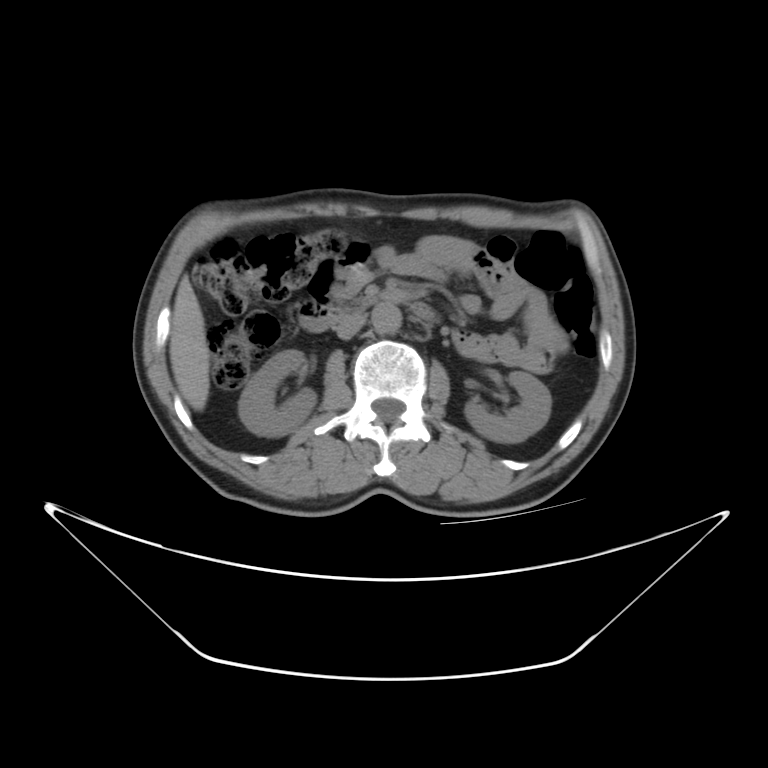 Computed tomography, abdomen — axial view — 768x768 px — 59-year-old male patient — 15 organs annotated in this scan (that count is for the whole scan; organs this slice misses have no box)
Each box given as x1,y1,x2,y2. Labeled organs on this slice: right kidney at x1=238, y1=351, x2=314, y2=435, left kidney at x1=463, y1=370, x2=551, y2=442, liver at x1=169, y1=276, x2=208, y2=408, aorta at x1=373, y1=302, x2=402, y2=335, inferior vena cava at x1=336, y1=312, x2=365, y2=337, duodenum at x1=298, y1=294, x2=440, y2=331.